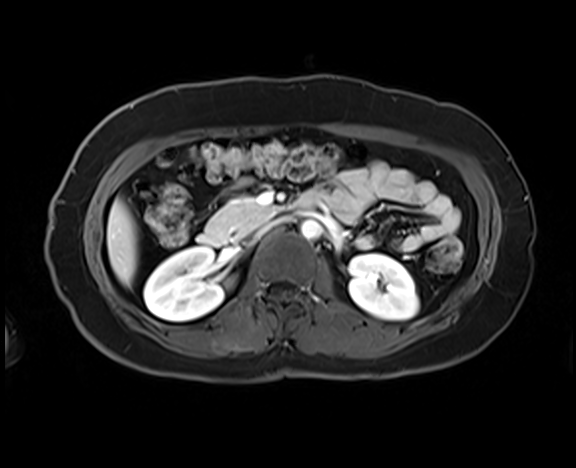 Abdominal MRI · axial view · 1st–99th percentile window · 13 organs annotated in this scan (counted over the whole 3D scan, not this slice; an organ is boxed only where this slice passes through it)
Boxes: x1 y1 x2 y2 (pixel coords, space-separated). 7 labeled organs on this slice — aorta at 301 220 321 239; right kidney at 144 247 225 320; pancreas at 205 197 276 241; left kidney at 349 253 418 319; inferior vena cava at 257 221 276 234; duodenum at 197 194 317 246; liver at 106 199 137 286.